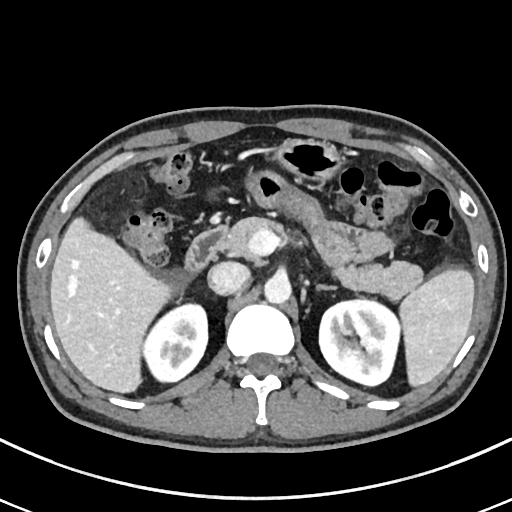 Computed tomography, abdomen — axial view — 512x512 px
<organs><organ name="right adrenal gland" x1="206" y1="289" x2="208" y2="291"/><organ name="duodenum" x1="187" y1="226" x2="224" y2="270"/><organ name="left kidney" x1="319" y1="300" x2="400" y2="385"/><organ name="inferior vena cava" x1="208" y1="262" x2="248" y2="295"/><organ name="right kidney" x1="143" y1="303" x2="207" y2="383"/><organ name="spleen" x1="398" y1="267" x2="474" y2="387"/><organ name="left adrenal gland" x1="315" y1="285" x2="335" y2="292"/><organ name="aorta" x1="264" y1="275" x2="291" y2="305"/><organ name="pancreas" x1="223" y1="217" x2="422" y2="300"/><organ name="stomach" x1="275" y1="138" x2="340" y2="180"/><organ name="liver" x1="50" y1="215" x2="175" y2="394"/></organs>